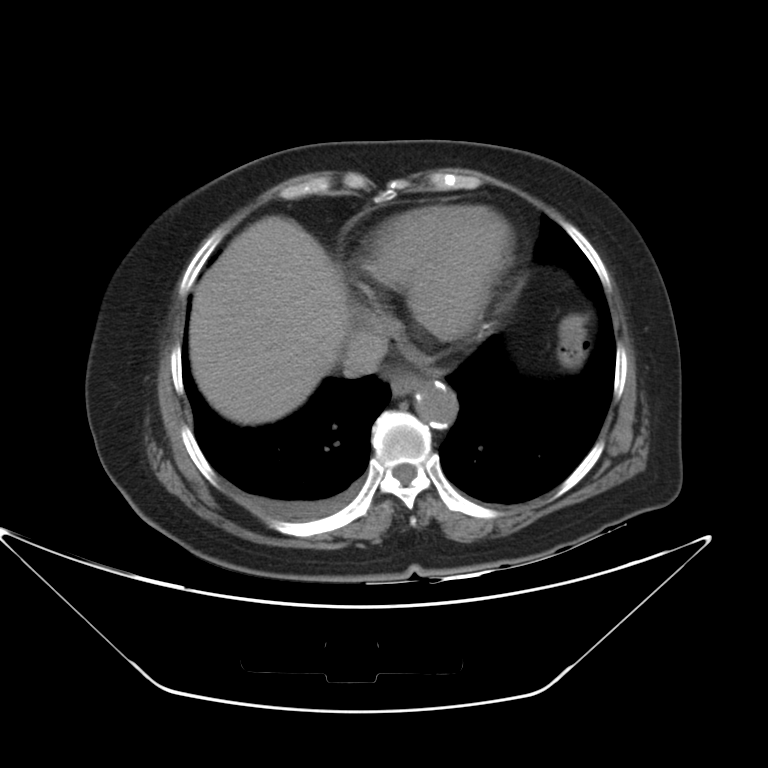 CT abdomen · axial plane, index 85 · abdomen soft-tissue window
Boxes: x1:y1:x2:y2 in pixels. Labeled organs on this slice: esophagus at 389:372:422:395, liver at 189:216:351:423, aorta at 415:383:457:427, inferior vena cava at 342:330:387:378.